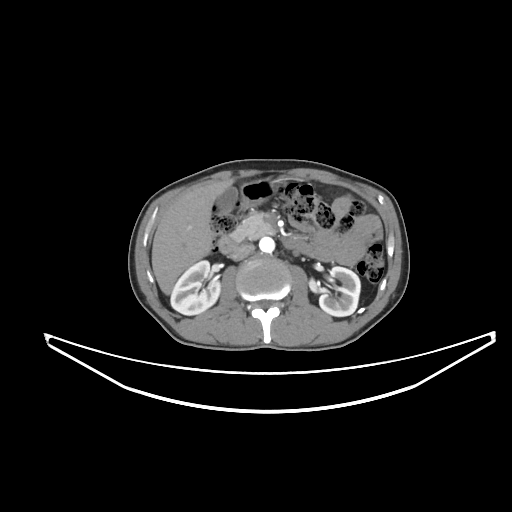

CT, abdomen/pelvis · Axial slice 60/134 · soft-tissue window (W 400 / L 40) · 52-year-old male patient · acquired on Aquilion ONE
Organ boxes in pixel coordinates; each row gives the top-left (x1, y1) and bottom-right (x2, y2) corners.
| organ | x1 | y1 | x2 | y2 |
|---|---|---|---|---|
| right kidney | 170 | 260 | 220 | 315 |
| left kidney | 319 | 266 | 360 | 316 |
| gall bladder | 215 | 186 | 237 | 213 |
| liver | 151 | 179 | 233 | 294 |
| stomach | 239 | 178 | 278 | 207 |
| aorta | 259 | 237 | 274 | 252 |
| inferior vena cava | 231 | 243 | 254 | 260 |
| pancreas | 230 | 213 | 275 | 241 |
| duodenum | 218 | 236 | 300 | 253 |